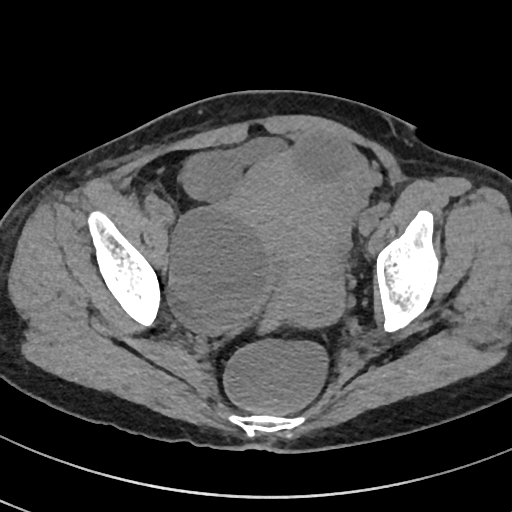 Computed tomography, abdomen — Axial slice 42/218 — 512x512 px
Coordinates as <box>x1,y1,x2,y2</box> in pixels.
bladder: <box>183,139,287,197</box>
prostate/uterus: <box>223,154,345,330</box>